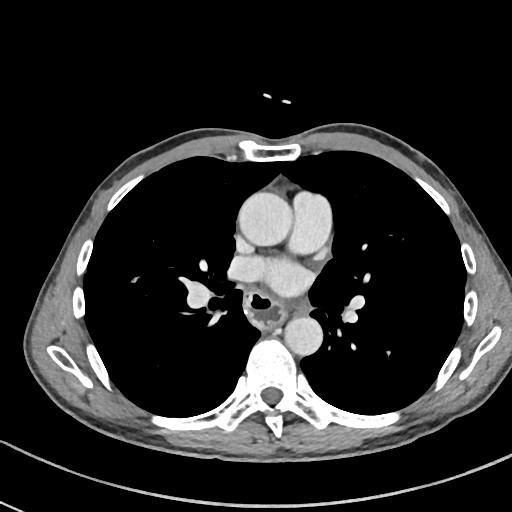 CT of the abdomen extending into the chest, slice through the chest. axial view. soft-tissue window (W 400 / L 40). SOMATOM Force scanner
At this level of the chest this dataset labels only the esophagus and the aorta, and each is boxed only where it is labeled; the heart and lungs are never labeled. Each box given as x1,y1,x2,y2. The annotated organs in this slice are: aorta at x1=239, y1=192, x2=292, y2=245, aorta at x1=284, y1=317, x2=322, y2=355, esophagus at x1=244, y1=288, x2=284, y2=331.